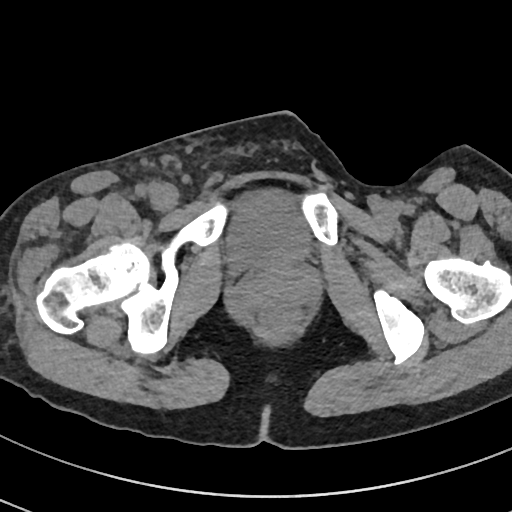 Abdominal CT. axial view. soft-tissue window. 512x512 px. scan has 15 labeled organs (that count is for the whole scan; organs this slice misses have no box)
Bounding boxes as [x1, y1, x2, y2] in pixel coordinates.
bladder: [226, 191, 309, 269]